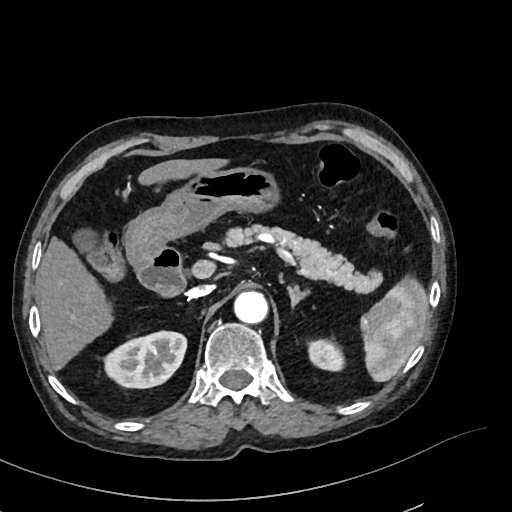
Abdominal CT · Axial slice 174/235 · soft-tissue window (W 400 / L 40) · 512x512 px
One row per box, in pixels: columns x1 and y1 give the top-left corner, x2 and y2 the bottom-right.
| organ | x1 | y1 | x2 | y2 |
|---|---|---|---|---|
| stomach | 124 | 167 | 280 | 267 |
| left kidney | 308 | 339 | 344 | 371 |
| inferior vena cava | 186 | 285 | 212 | 298 |
| duodenum | 136 | 246 | 185 | 297 |
| aorta | 233 | 291 | 268 | 323 |
| right kidney | 104 | 331 | 186 | 388 |
| gall bladder | 75 | 229 | 94 | 251 |
| left adrenal gland | 287 | 286 | 307 | 307 |
| pancreas | 223 | 223 | 381 | 293 |
| spleen | 360 | 275 | 426 | 381 |
| liver | 36 | 158 | 228 | 369 |